Abdominal CT · Axial slice 78/85 · soft-tissue window (W 400 / L 40)
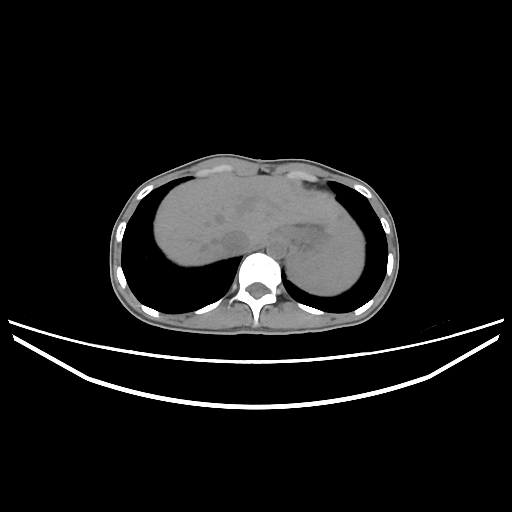 Bounding boxes in pixels, one row per box: x1, y1 is the top-left corner and x2, y2 the bottom-right.
| organ | x1 | y1 | x2 | y2 |
|---|---|---|---|---|
| spleen | 288 | 220 | 363 | 295 |
| liver | 154 | 175 | 350 | 265 |
| stomach | 272 | 224 | 330 | 262 |
| aorta | 266 | 238 | 285 | 258 |
| inferior vena cava | 221 | 230 | 250 | 253 |